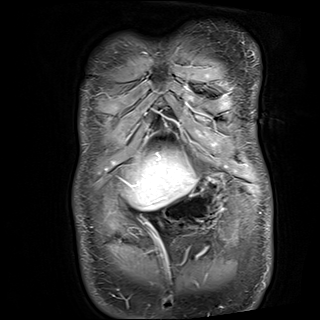

Abdominal MR. Coronal slice 58/60. percentile-normalized. 320x320 px
Coordinates as <box>x1,y1,x2,y2</box> in pixels.
Organ bounding boxes:
- liver: <box>125,150,196,208</box>
- stomach: <box>166,172,225,230</box>